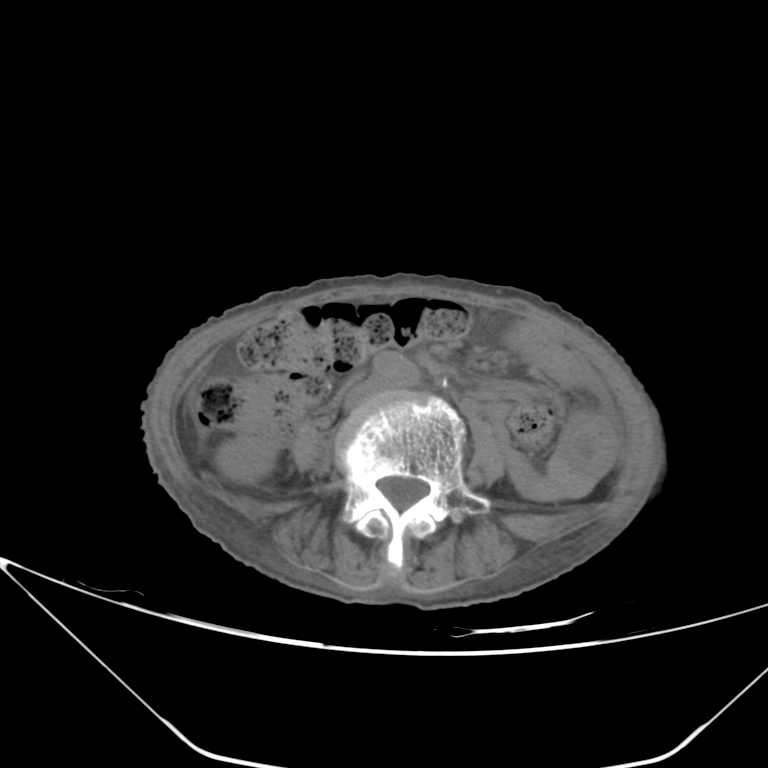
Abdominal CT; axial view; soft-tissue window (W 400 / L 40); 768x768 px; 80-year-old female patient
One row per box, in pixels: columns x1 and y1 give the top-left corner, x2 and y2 the bottom-right.
| organ | x1 | y1 | x2 | y2 |
|---|---|---|---|---|
| right kidney | 216 | 436 | 273 | 481 |